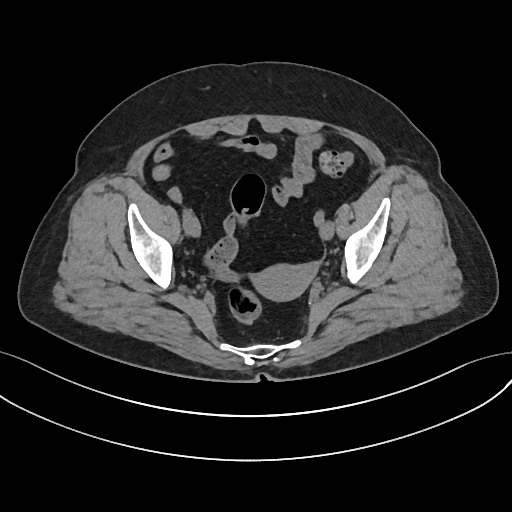 CT, abdomen/pelvis. axial plane, index 42
{"organs":{"prostate/uterus":[251,264,310,299]}}